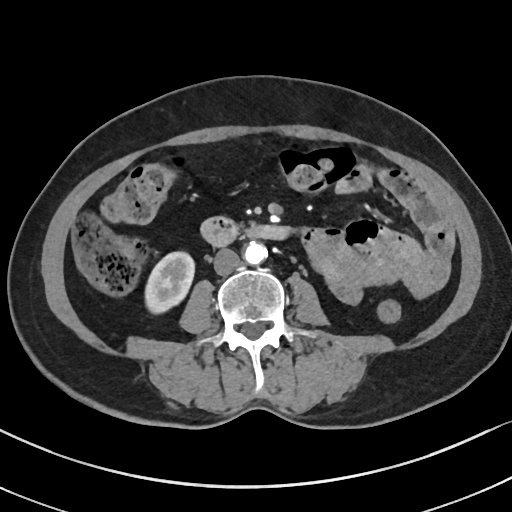
Abdominal CT. axial view. soft-tissue window. 15 organs annotated in this scan (a whole-scan count: organs this slice does not pass through have no box)
{"organs":{"right kidney":[145,251,194,313],"aorta":[243,241,267,264],"inferior vena cava":[213,249,241,275],"duodenum":[200,217,290,246]}}